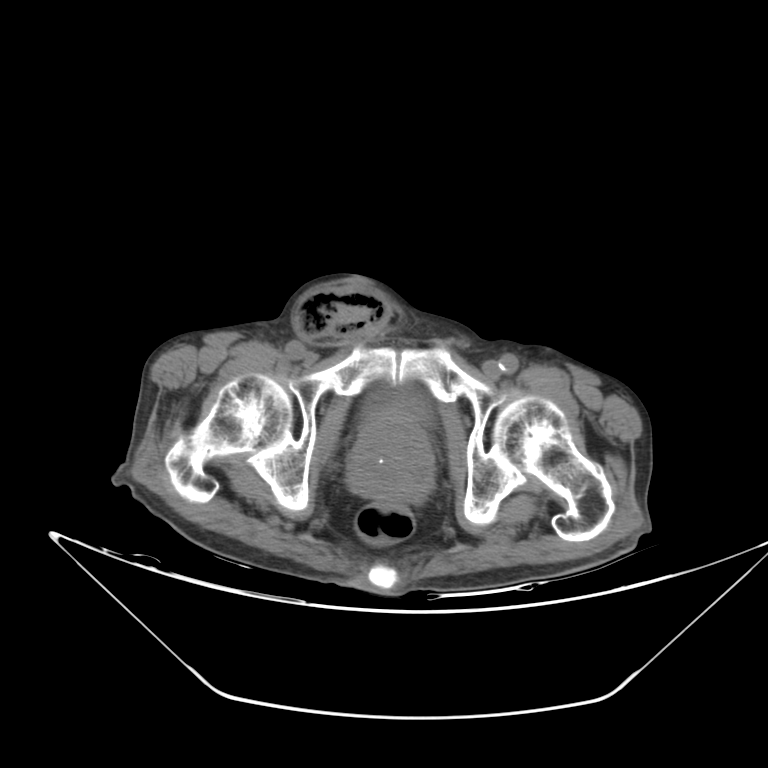

Abdominal CT — axial view — 15 organs annotated in this scan (a whole-scan count: organs this slice does not pass through have no box)
<organs><organ name="bladder" x1="357" y1="387" x2="432" y2="428"/><organ name="prostate/uterus" x1="344" y1="410" x2="437" y2="503"/></organs>